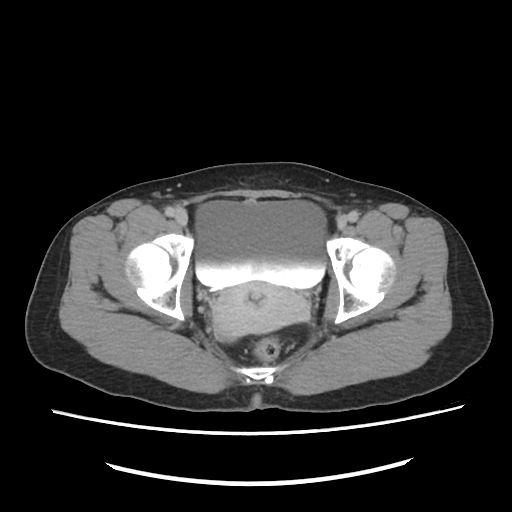 Abdominal CT. Axial slice 15/85. 15 organs annotated in this scan (a whole-scan count: organs this slice does not pass through have no box)
Organ boxes in pixel coordinates; each row gives the top-left (x1, y1) and bottom-right (x2, y2) corners.
| organ | x1 | y1 | x2 | y2 |
|---|---|---|---|---|
| bladder | 194 | 201 | 328 | 288 |
| prostate/uterus | 214 | 281 | 313 | 342 |